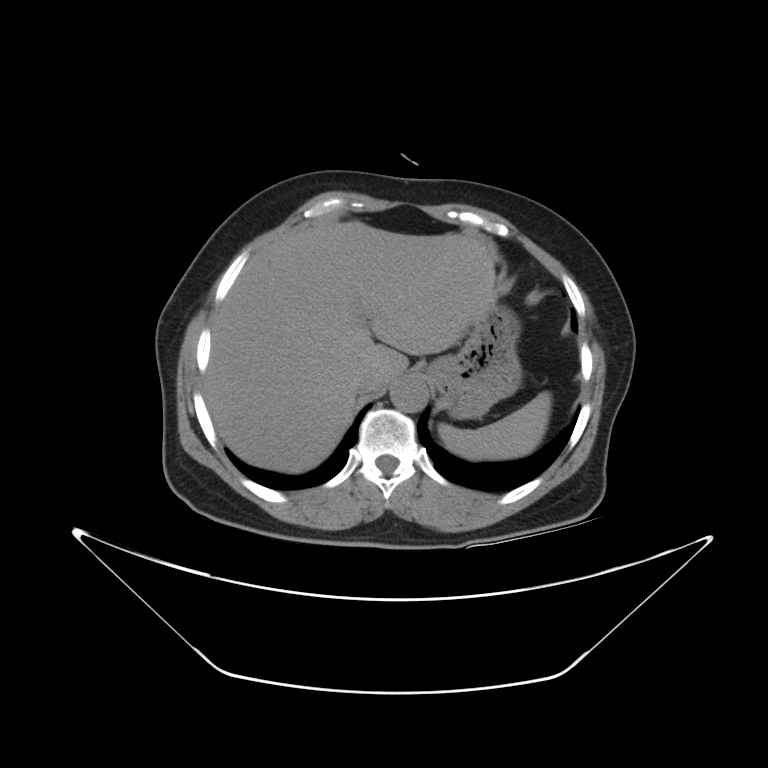
CT abdomen — Axial slice 76/91 — 56-year-old female patient
Boxes: x1 y1 x2 y2 (pixel coords, space-separated).
spleen: 439 391 551 459
liver: 204 220 496 473
stomach: 424 306 521 420
aorta: 389 375 430 412
inferior vena cava: 357 369 383 394